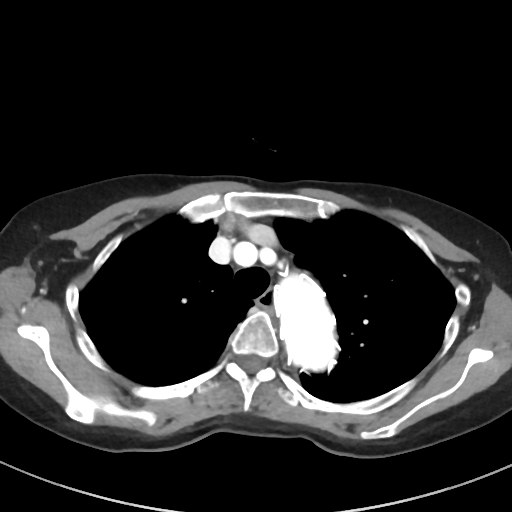
Abdominal CT reaching into the chest; this slice is in the chest — axial view — W/L 400/40 HU — 512x512 px
At this level of the chest this dataset labels only the esophagus and the aorta, and each is boxed only where it is labeled; the heart and lungs are never labeled.
{"organs":{"esophagus":[258,286,273,309],"aorta":[274,275,334,369]}}